CT, abdomen/pelvis · axial view · W/L 400/40 HU · 512x512 px
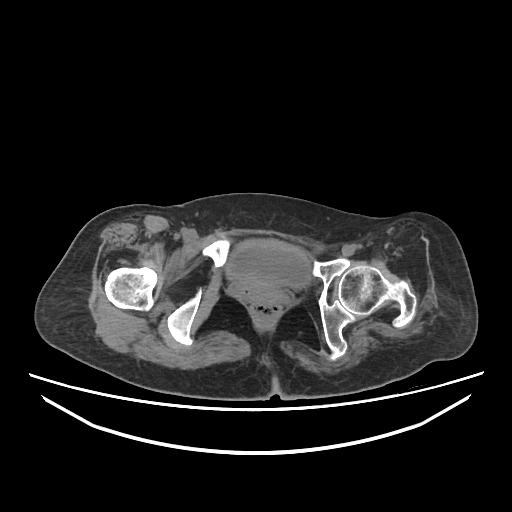

Each box given as x1,y1,x2,y2.
bladder: x1=226, y1=240, x2=310, y2=288